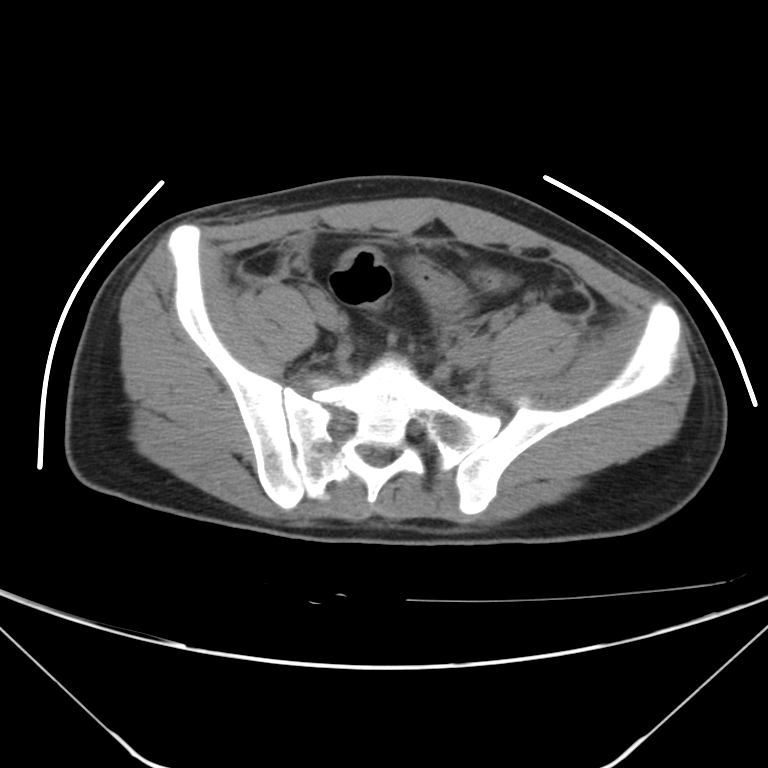 CT, abdomen/pelvis. axial plane, index 30. 15 organs annotated in this scan (counted over the whole 3D scan, not this slice; an organ is boxed only where this slice passes through it)
Box edges are left/top/right/bottom in pixels.
Organ bounding boxes:
- bladder: left=408, top=262, right=465, bottom=320